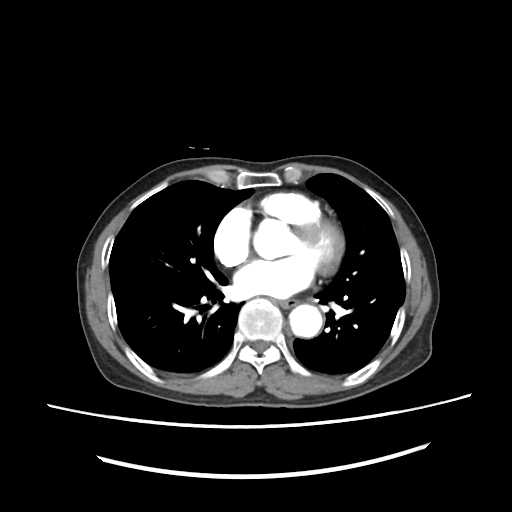
CT of the abdomen reaching into the lower chest, slice just above the liver and spleen — axial plane, index 97 — 15 organs annotated in this scan (counted over the whole 3D scan, not this slice; an organ is boxed only where this slice passes through it)
No part of the heart or lungs is labeled in this dataset, so neither has a box here.
Bounding boxes as [x1, y1, x2, y2] in pixel coordinates.
esophagus: [277, 299, 298, 310]
aorta: [288, 301, 324, 337]